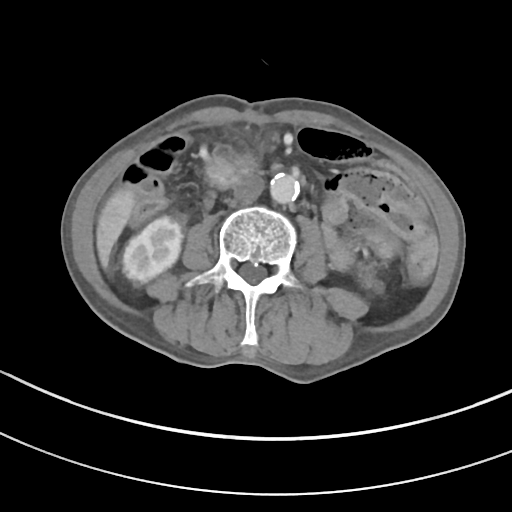

Computed tomography, abdomen — Axial slice 45/122 — soft-tissue window — acquired on SOMATOM Force
Boxes: x1:y1:x2:y2 in pixels.
aorta: 270:173:300:203
inferior vena cava: 233:174:264:203
right kidney: 122:213:184:286
duodenum: 207:154:257:187
liver: 96:187:135:268
left kidney: 358:262:382:288